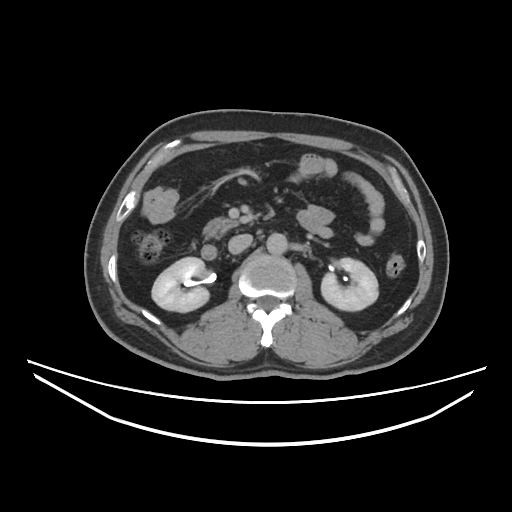
Abdominal CT; Axial slice 79/115; 15 organs annotated in this scan (a whole-scan count: organs this slice does not pass through have no box)
Boxes: x1:y1:x2:y2 in pixels.
right kidney: 152:257:209:312
left kidney: 320:258:377:311
aorta: 267:232:287:256
inferior vena cava: 228:234:253:252
pancreas: 204:219:235:240
duodenum: 200:245:216:260